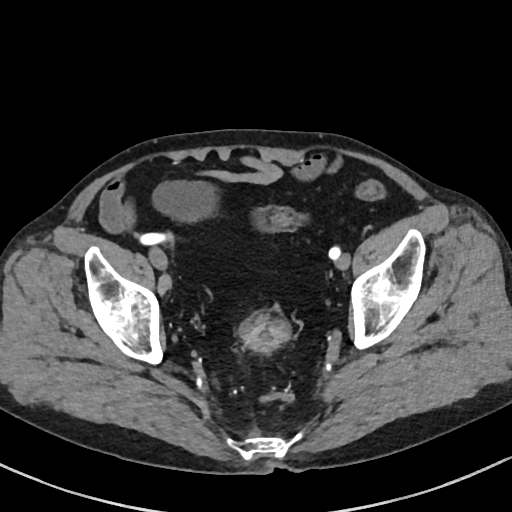
CT, abdomen/pelvis · axial view · soft-tissue window (W 400 / L 40) · 512x512 px · scan has 15 labeled organs (that count is for the whole scan; organs this slice misses have no box)
Organ boxes in pixel coordinates; each row gives the top-left (x1, y1) and bottom-right (x2, y2) corners.
| organ | x1 | y1 | x2 | y2 |
|---|---|---|---|---|
| bladder | 150 | 180 | 219 | 221 |